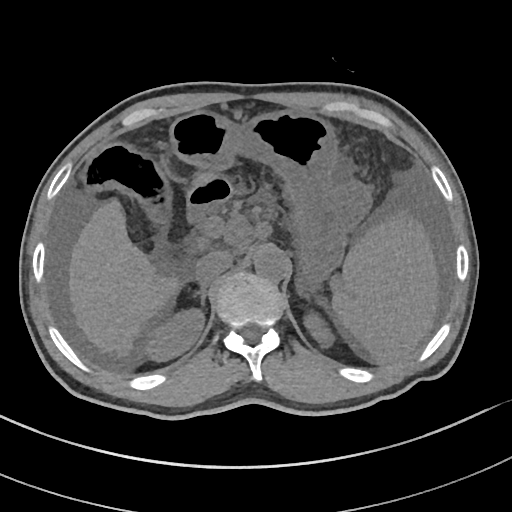

Computed tomography, abdomen. axial view. 512x512 px. SOMATOM Force scanner
Boxes: x1:y1:x2:y2 in pixels. Labeled organs on this slice: spleen at 331:213:438:363, right kidney at 144:308:204:361, left kidney at 303:311:334:347, liver at 68:199:180:356, stomach at 170:110:371:287, aorta at 254:248:289:282, inferior vena cava at 194:250:233:283, right adrenal gland at 192:283:207:308, left adrenal gland at 297:285:309:299, duodenum at 187:174:229:220.